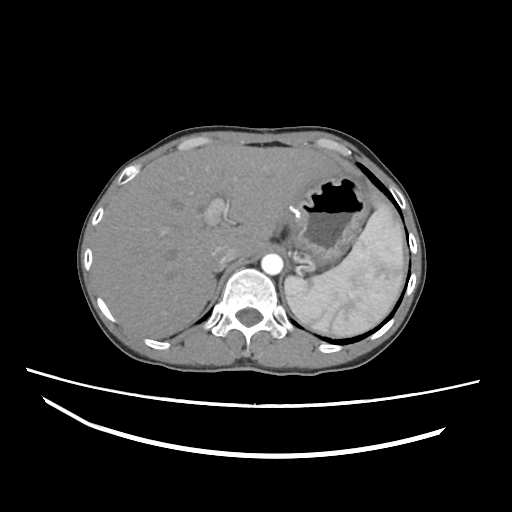

CT abdomen — axial view — abdomen soft-tissue window — scan has 15 labeled organs (a whole-scan count: organs this slice does not pass through have no box)
Bounding boxes as [x1, y1, x2, y2] in pixel coordinates.
spleen: [284, 196, 404, 336]
liver: [92, 143, 337, 337]
stomach: [278, 171, 370, 268]
aorta: [261, 254, 283, 274]
inferior vena cava: [212, 245, 237, 270]